Abdominal CT; axial plane, index 143; abdomen soft-tissue window; 512x512 px
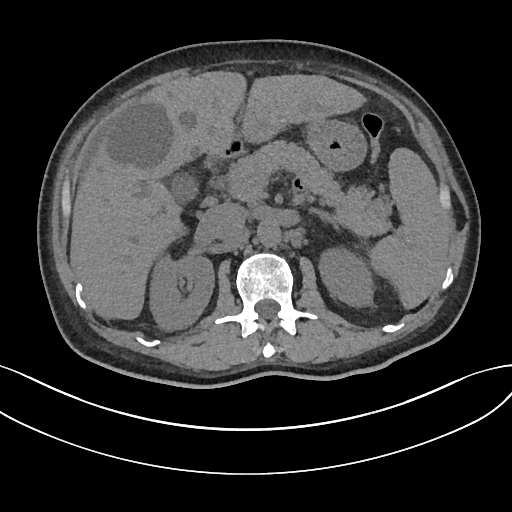
Bounding boxes in pixels, one row per box: x1, y1 is the top-left corner and x2, y2 the bottom-right.
| organ | x1 | y1 | x2 | y2 |
|---|---|---|---|---|
| spleen | 370 | 147 | 449 | 309 |
| right kidney | 151 | 254 | 214 | 328 |
| left kidney | 319 | 248 | 372 | 305 |
| gall bladder | 172 | 176 | 196 | 201 |
| liver | 69 | 70 | 367 | 320 |
| stomach | 308 | 119 | 368 | 172 |
| aorta | 258 | 220 | 282 | 247 |
| inferior vena cava | 198 | 203 | 246 | 240 |
| pancreas | 229 | 142 | 389 | 237 |
| left adrenal gland | 311 | 210 | 338 | 231 |
| duodenum | 221 | 142 | 241 | 157 |